Chest-level CT slice, above the liver and spleen — Axial slice 109/126 — 15 organs annotated in this scan (counted over the whole 3D scan, not this slice; an organ is boxed only where this slice passes through it)
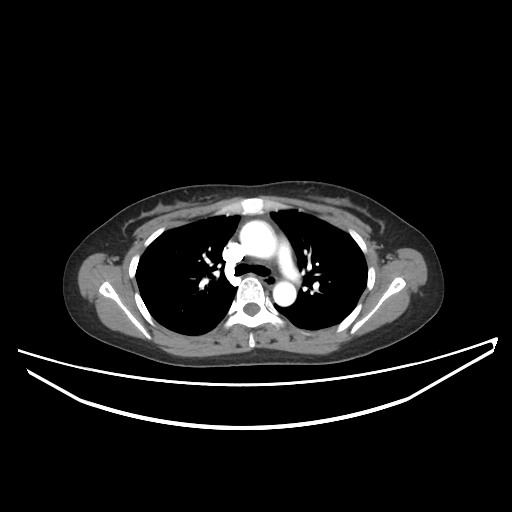 At this level of the chest no structure but the esophagus and the aorta has a label in this dataset, and those two are boxed only where they are labeled.
<organs><organ name="aorta" x1="240" y1="220" x2="275" y2="257"/><organ name="aorta" x1="273" y1="281" x2="296" y2="306"/><organ name="esophagus" x1="262" y1="277" x2="276" y2="286"/></organs>